Abdominal CT · axial view · 39-year-old female patient · scan has 15 labeled organs (counted over the whole 3D scan, not this slice; an organ is boxed only where this slice passes through it)
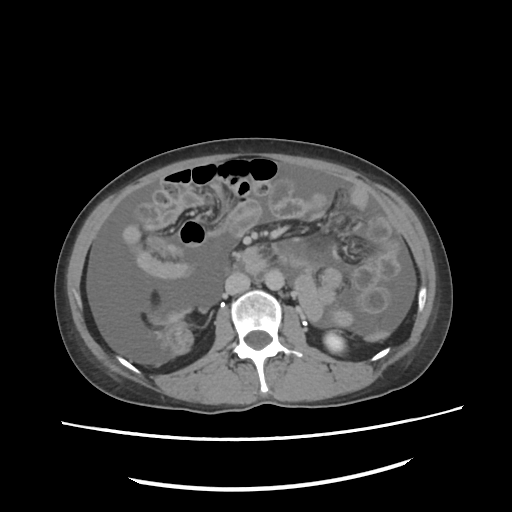
Bounding boxes as [x1, y1, x2, y2] in pixel coordinates.
Organ bounding boxes:
- left kidney: [324, 334, 344, 354]
- aorta: [264, 269, 284, 291]
- inferior vena cava: [226, 271, 250, 295]